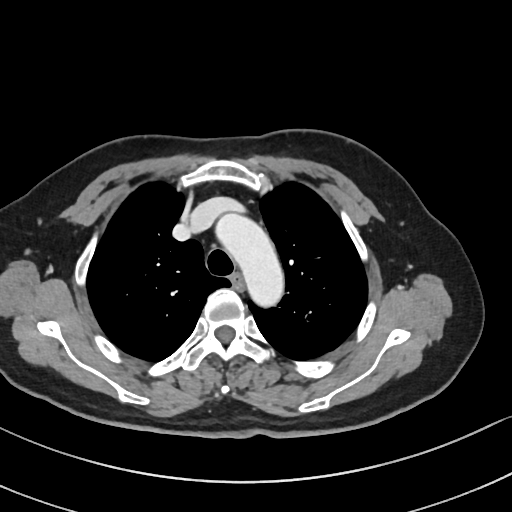 Chest-level slice from an abdominal CT that extends up into the chest · axial view · soft-tissue window · 512x512 px · scan has 14 labeled organs (that count is for the whole scan; organs this slice misses have no box)
On a slice this high in the chest, this dataset labels only the esophagus and the aorta, and each is boxed only where it is labeled; the heart, lungs and other chest structures are not labeled.
{"organs":{"esophagus":[232,275,243,288],"aorta":[215,213,284,307]}}